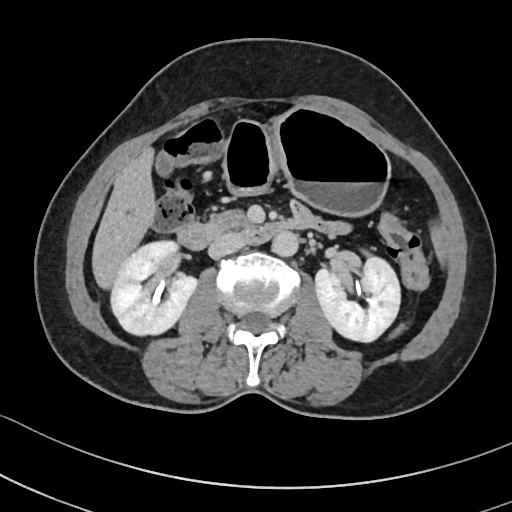

CT, abdomen/pelvis — axial view — W/L 400/40 HU — SOMATOM Force scanner
One row per box, in pixels: columns x1 and y1 give the top-left corner, x2 and y2 the bottom-right.
| organ | x1 | y1 | x2 | y2 |
|---|---|---|---|---|
| right kidney | 112 | 241 | 198 | 337 |
| inferior vena cava | 208 | 233 | 246 | 258 |
| liver | 91 | 146 | 154 | 289 |
| duodenum | 175 | 214 | 311 | 249 |
| spleen | 380 | 316 | 413 | 345 |
| aorta | 272 | 232 | 298 | 257 |
| pancreas | 209 | 210 | 248 | 231 |
| stomach | 222 | 108 | 391 | 217 |
| left kidney | 314 | 257 | 399 | 342 |
| gall bladder | 156 | 151 | 174 | 178 |